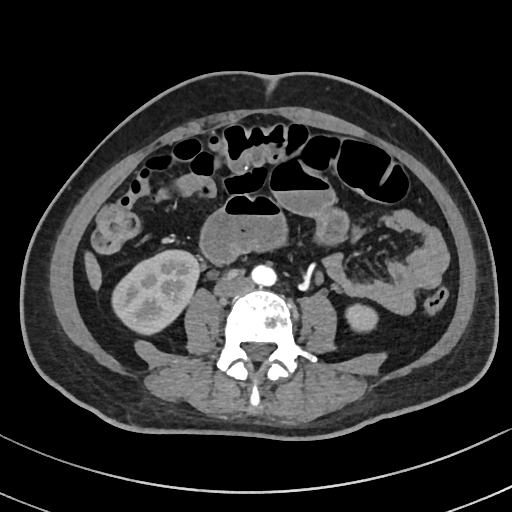
CT, abdomen/pelvis. axial view. soft-tissue window. 512x512 px
Bounding boxes as [x1, y1, x2, y2] in pixel coordinates. 5 labeled organs on this slice — liver at [85, 251, 102, 291]; inferior vena cava at [214, 274, 249, 296]; left kidney at [345, 305, 377, 331]; right kidney at [113, 249, 201, 335]; aorta at [252, 264, 275, 286].